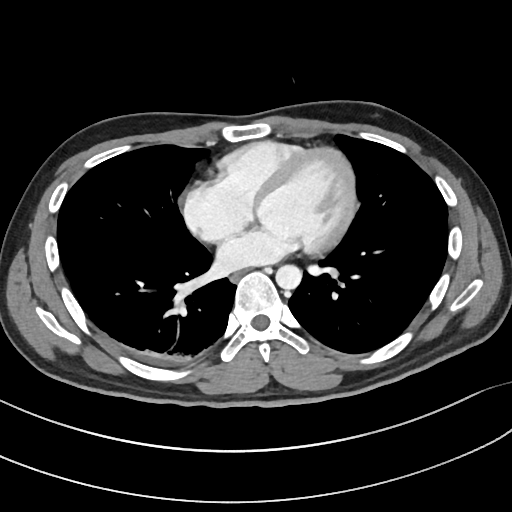 Abdominal CT; this slice is in the lower chest, just above the liver; axial view; soft-tissue window, W/L 400/40; 512x512 px; 15 organs annotated in this scan (that count is for the whole scan; organs this slice misses have no box)
Of the structures in the chest, this dataset labels only the esophagus, the aorta and the inferior vena cava; the heart and lungs have no label.
<organs><organ name="esophagus" x1="230" y1="271" x2="243" y2="282"/><organ name="aorta" x1="276" y1="264" x2="302" y2="290"/></organs>